Computed tomography, abdomen. axial view. abdomen soft-tissue window. 512x512 px. acquired on Aquilion ONE
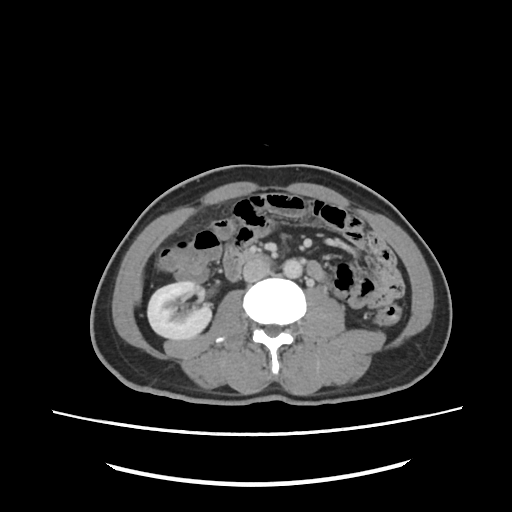

<organs><organ name="aorta" x1="283" y1="258" x2="302" y2="278"/><organ name="duodenum" x1="238" y1="250" x2="269" y2="261"/><organ name="inferior vena cava" x1="243" y1="258" x2="270" y2="282"/><organ name="right kidney" x1="147" y1="281" x2="211" y2="339"/></organs>